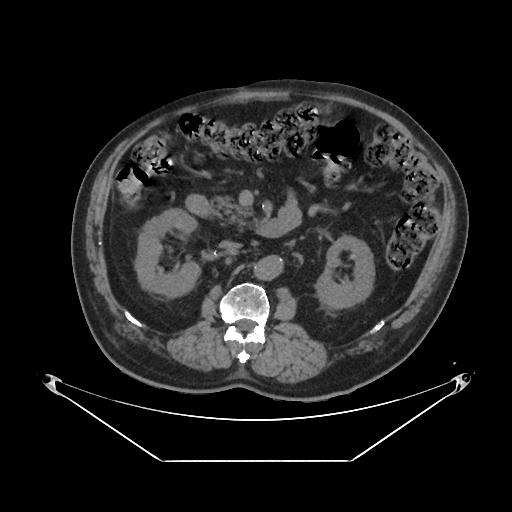
Abdominal CT — Axial slice 215/353 — 512x512 px
Coordinates as <box>x1,y1,x2,y2</box> in pixels.
right kidney: <box>135,208,200,297</box>
left kidney: <box>315,235,374,309</box>
aorta: <box>254,255,282,279</box>
inferior vena cava: <box>219,240,241,250</box>
pancreas: <box>211,196,251,228</box>
duodenum: <box>187,196,292,237</box>